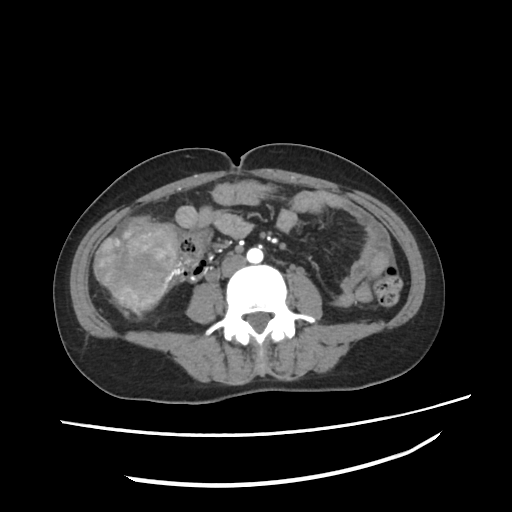 Computed tomography, abdomen. axial view. soft-tissue window (W 400 / L 40). 512x512 px. scan has 15 labeled organs (counted over the whole 3D scan, not this slice; an organ is boxed only where this slice passes through it)
Box edges are left/top/right/bottom in pixels.
Organ bounding boxes:
- aorta: left=246, top=247, right=265, bottom=264
- inferior vena cava: left=222, top=254, right=244, bottom=274